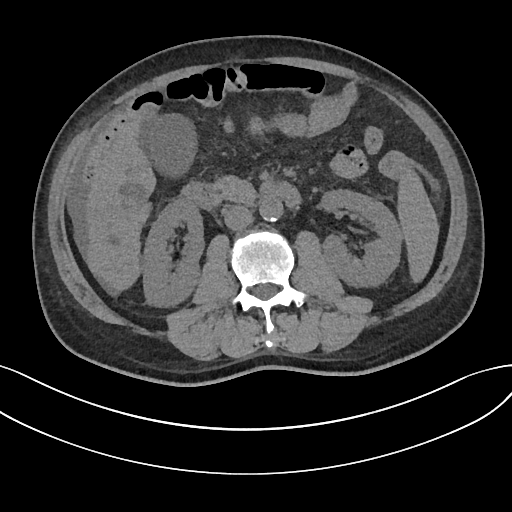 CT abdomen · Axial slice 122/213 · soft-tissue window (W 400 / L 40) · 512x512 px
Bounding boxes as [x1, y1, x2, y2] in pixel coordinates. The annotated organs in this slice are: spleen at [397, 166, 438, 282], right kidney at [142, 200, 203, 307], left kidney at [321, 189, 402, 286], gall bladder at [140, 114, 196, 177], liver at [85, 120, 156, 290], stomach at [251, 119, 263, 129], aorta at [259, 198, 282, 221], inferior vena cava at [222, 205, 252, 230], pancreas at [210, 176, 256, 203], duodenum at [180, 182, 301, 209].